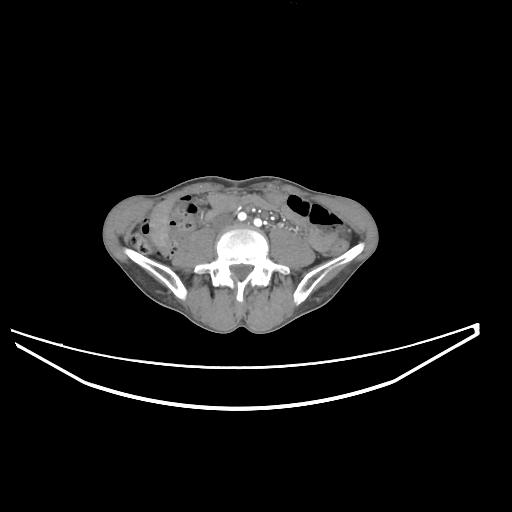

Abdominal CT · Axial slice 46/131 · Aquilion ONE scanner · scan has 15 labeled organs (a whole-scan count: organs this slice does not pass through have no box)
Boxes: x1 y1 x2 y2 (pixel coords, space-separated).
Organ bounding boxes:
- inferior vena cava: 214 217 231 229
- duodenum: 205 210 217 220
- liver: 150 199 174 254